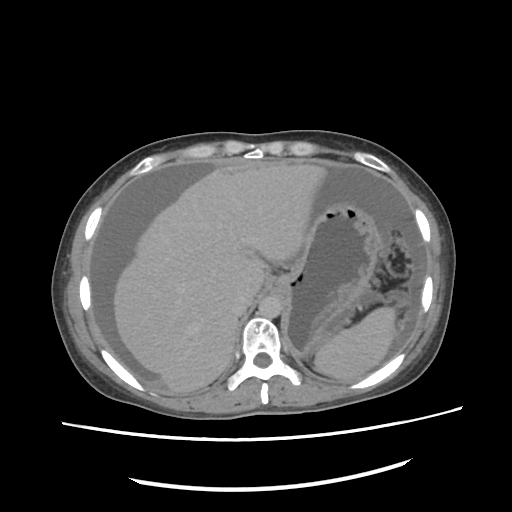 Computed tomography, abdomen. axial view. 39-year-old female patient
Bounding boxes in pixels, one row per box: x1, y1 is the top-left corner and x2, y2 the bottom-right.
| organ | x1 | y1 | x2 | y2 |
|---|---|---|---|---|
| spleen | 312 | 307 | 397 | 381 |
| inferior vena cava | 231 | 292 | 253 | 318 |
| aorta | 258 | 298 | 282 | 318 |
| liver | 113 | 164 | 326 | 393 |
| stomach | 270 | 201 | 380 | 356 |